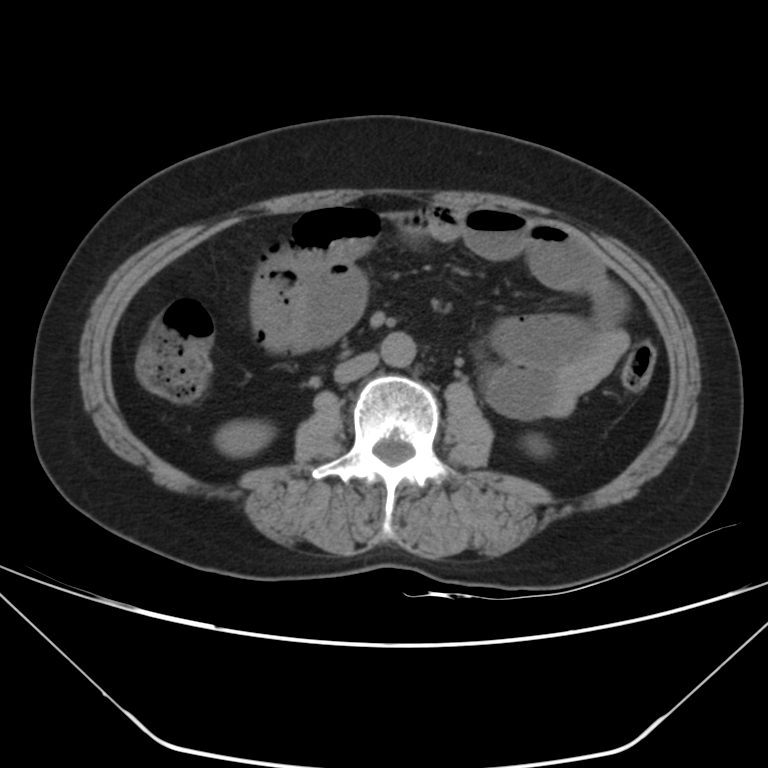
CT abdomen — axial view — 768x768 px — 15 organs annotated in this scan (counted over the whole 3D scan, not this slice; an organ is boxed only where this slice passes through it)
Box edges are left/top/right/bottom in pixels.
right kidney: left=219, top=423, right=269, bottom=456
left kidney: left=523, top=434, right=548, bottom=456
aorta: left=380, top=332, right=415, bottom=367
inferior vena cava: left=334, top=352, right=377, bottom=382